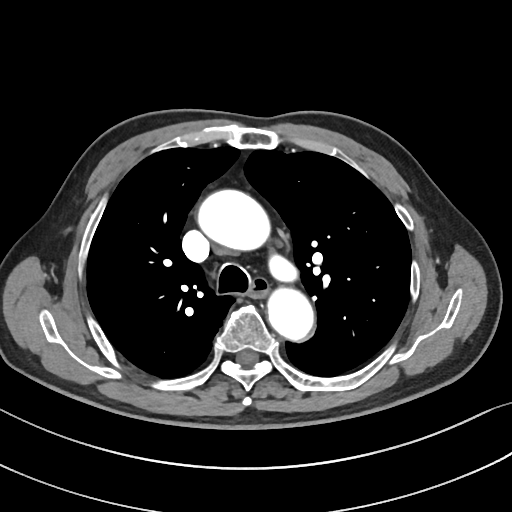

Chest-level slice from an abdominal CT that extends up into the chest. Axial slice 258/306. acquired on SOMATOM Force
At this level of the chest this dataset labels only the esophagus and the aorta, and each is boxed only where it is labeled; the heart and lungs are never labeled.
<organs><organ name="esophagus" x1="250" y1="279" x2="268" y2="297"/><organ name="aorta" x1="198" y1="189" x2="269" y2="249"/><organ name="aorta" x1="267" y1="288" x2="313" y2="340"/></organs>